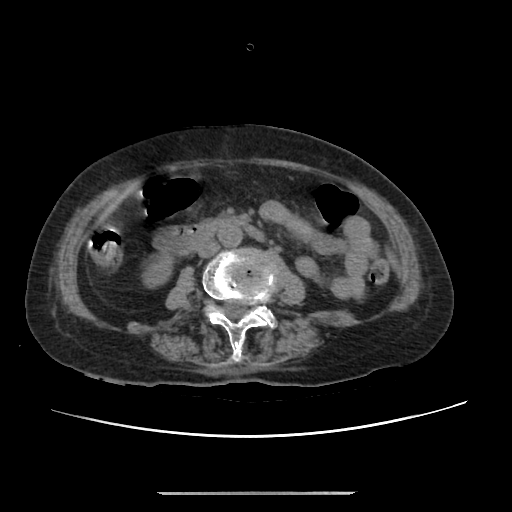 CT, abdomen/pelvis — axial view — 512x512 px — acquired on SOMATOM Force
{"organs":{"duodenum":[158,219,263,250],"aorta":[218,223,242,246],"inferior vena cava":[197,240,219,257],"right kidney":[147,256,173,288]}}